CT, abdomen/pelvis. axial view. soft-tissue window. 55-year-old male patient. acquired on Brilliance16
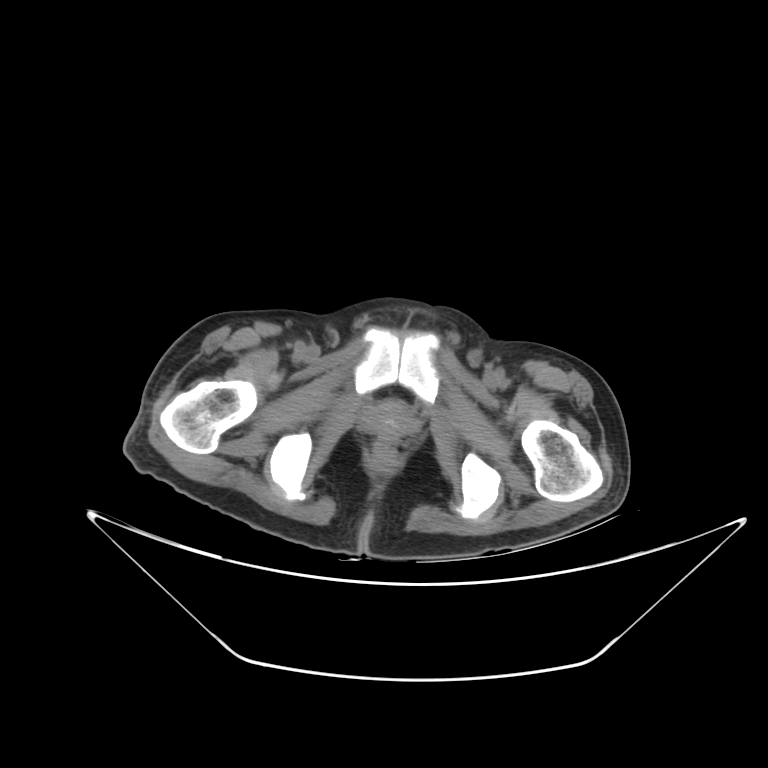

<organs><organ name="prostate/uterus" x1="370" y1="406" x2="410" y2="437"/></organs>